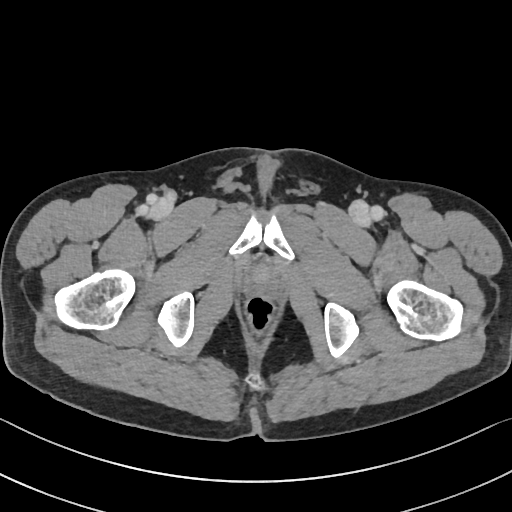 Abdominal CT. axial view
One row per box, in pixels: columns x1 and y1 give the top-left corner, x2 and y2 the bottom-right.
| organ | x1 | y1 | x2 | y2 |
|---|---|---|---|---|
| prostate/uterus | 252 | 267 | 276 | 286 |